CT abdomen · axial plane, index 94 · 512x512 px · 46-year-old male patient · scan has 15 labeled organs (counted over the whole 3D scan, not this slice; an organ is boxed only where this slice passes through it)
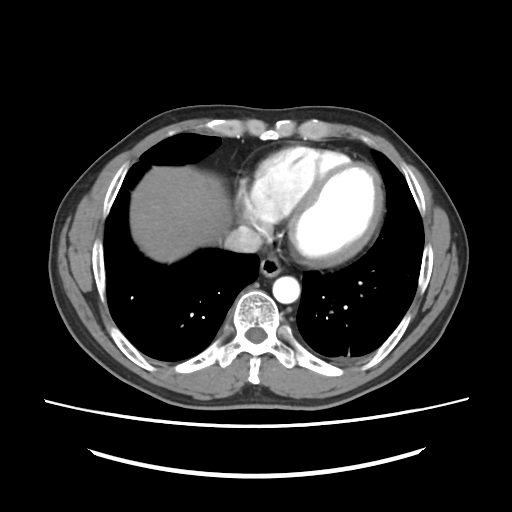
Bounding boxes as [x1, y1, x2, y2] in pixel coordinates.
Organ bounding boxes:
- esophagus: [260, 256, 281, 277]
- liver: [130, 166, 231, 262]
- aorta: [272, 276, 300, 303]
- inferior vena cava: [224, 226, 262, 252]